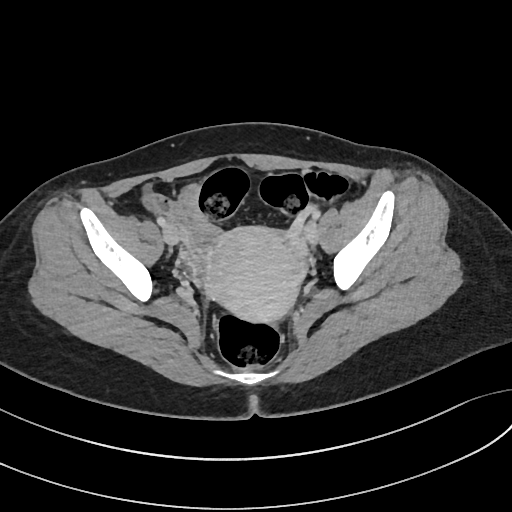

Abdominal CT; axial view; soft-tissue window (W 400 / L 40); 512x512 px; 15 organs annotated in this scan (a whole-scan count: organs this slice does not pass through have no box)
{"organs":{"prostate/uterus":[201,226,311,321]}}